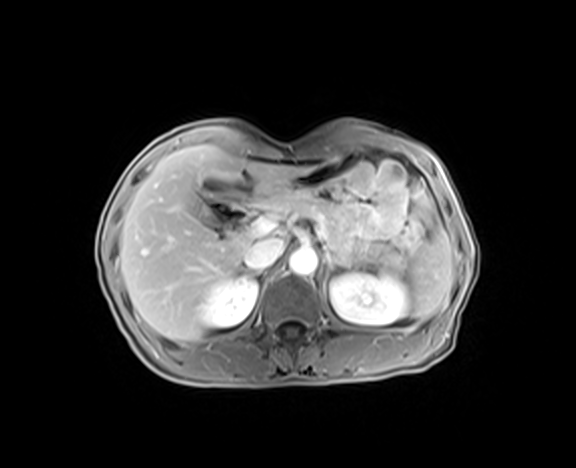
Magnetic resonance imaging, abdomen; axial view; 1st–99th percentile window; 13 organs annotated in this scan (counted over the whole 3D scan, not this slice; an organ is boxed only where this slice passes through it)
Organ boxes in pixel coordinates; each row gives the top-left (x1, y1) and bottom-right (x2, y2) corners.
| organ | x1 | y1 | x2 | y2 |
|---|---|---|---|---|
| spleen | 406 | 222 | 453 | 319 |
| right kidney | 197 | 275 | 257 | 327 |
| left kidney | 330 | 273 | 410 | 325 |
| gall bladder | 202 | 208 | 221 | 227 |
| liver | 120 | 144 | 306 | 340 |
| stomach | 293 | 157 | 350 | 192 |
| aorta | 289 | 247 | 317 | 276 |
| inferior vena cava | 244 | 237 | 284 | 270 |
| pancreas | 259 | 189 | 406 | 273 |
| left adrenal gland | 324 | 255 | 350 | 283 |
| duodenum | 204 | 182 | 256 | 224 |